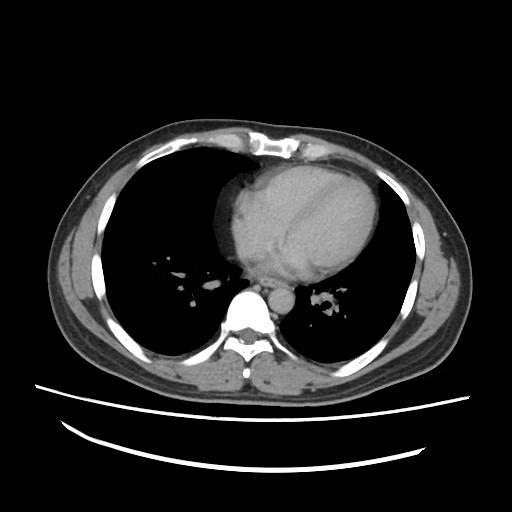 Lower-chest slice from an abdominal CT, just above the liver and spleen — axial view — 44-year-old male patient — acquired on Aquilion ONE
The heart and lungs are never labeled in this dataset, so they have no box on this slice.
Each box given as x1,y1,x2,y2.
Organ bounding boxes:
- inferior vena cava: x1=235, y1=244, x2=254, y2=258
- aorta: x1=268, y1=286, x2=294, y2=314
- esophagus: x1=260, y1=278, x2=282, y2=287